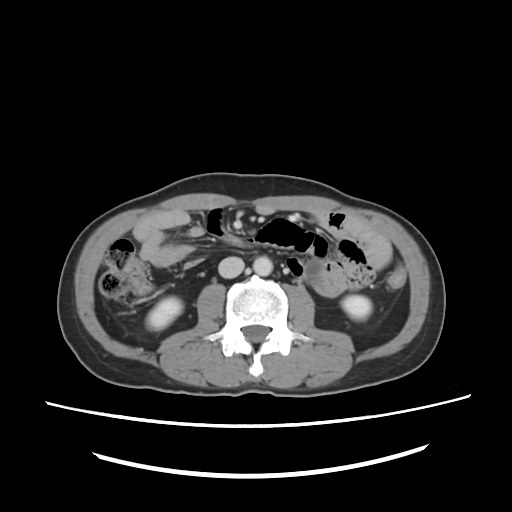 Computed tomography, abdomen · axial view · soft-tissue window (W 400 / L 40)
Boxes: x1 y1 x2 y2 (pixel coords, space-separated). Labeled organs on this slice: right kidney at 145 298 181 329, left kidney at 341 294 371 317, aorta at 253 255 271 275, inferior vena cava at 217 257 244 277.